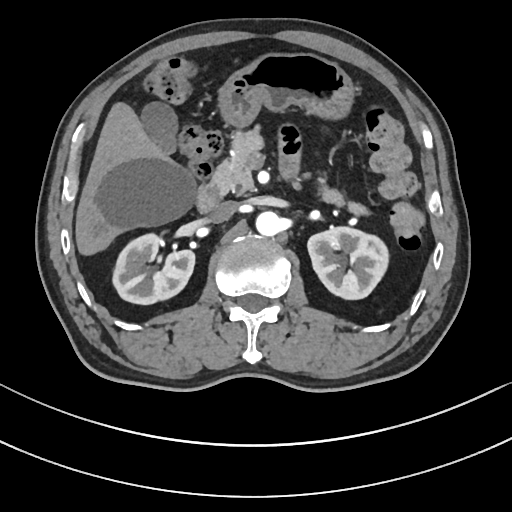
CT, abdomen/pelvis; Axial slice 137/280; 512x512 px; scan has 15 labeled organs (that count is for the whole scan; organs this slice misses have no box)
<organs><organ name="right kidney" x1="112" y1="233" x2="195" y2="304"/><organ name="left kidney" x1="307" y1="226" x2="388" y2="299"/><organ name="gall bladder" x1="141" y1="102" x2="177" y2="153"/><organ name="liver" x1="75" y1="102" x2="196" y2="255"/><organ name="stomach" x1="218" y1="52" x2="353" y2="127"/><organ name="aorta" x1="255" y1="211" x2="281" y2="236"/><organ name="inferior vena cava" x1="210" y1="201" x2="236" y2="222"/><organ name="pancreas" x1="211" y1="130" x2="368" y2="215"/><organ name="duodenum" x1="196" y1="183" x2="220" y2="212"/></organs>